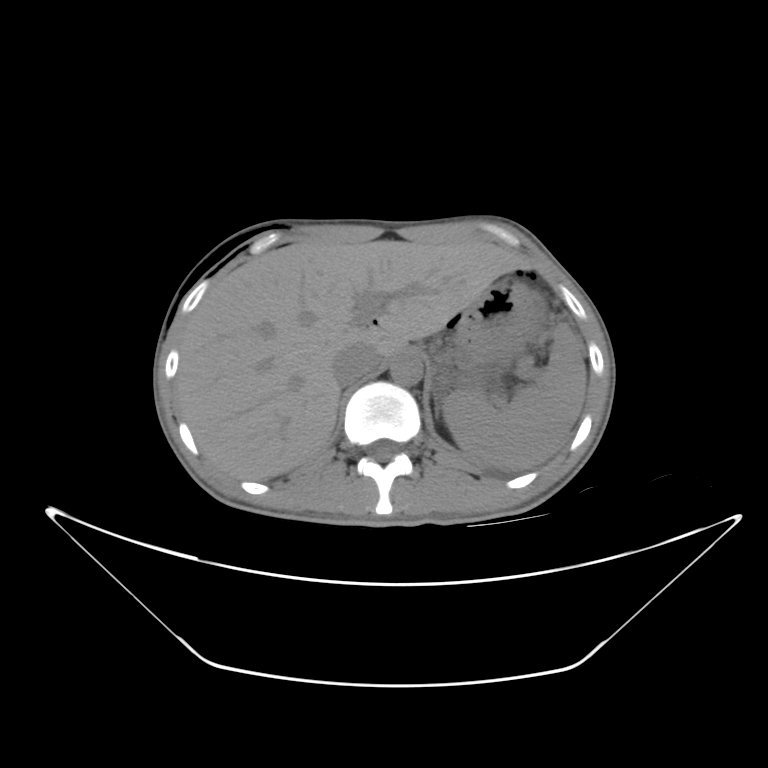 CT, abdomen/pelvis · Axial slice 76/95 · W/L 400/40 HU · 33-year-old male patient · scan has 15 labeled organs (a whole-scan count: organs this slice does not pass through have no box)
<organs><organ name="stomach" x1="457" y1="279" x2="540" y2="367"/><organ name="aorta" x1="390" y1="354" x2="421" y2="385"/><organ name="liver" x1="181" y1="240" x2="530" y2="480"/><organ name="spleen" x1="444" y1="322" x2="587" y2="470"/><organ name="left adrenal gland" x1="434" y1="388" x2="440" y2="424"/><organ name="inferior vena cava" x1="330" y1="337" x2="383" y2="380"/></organs>